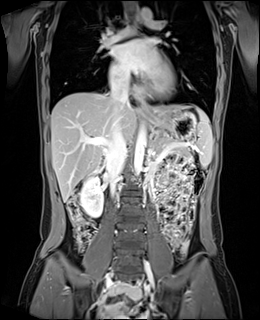 MRI, abdomen · coronal acquisition
<organs><organ name="spleen" x1="195" y1="107" x2="212" y2="168"/><organ name="right kidney" x1="80" y1="177" x2="103" y2="217"/><organ name="esophagus" x1="140" y1="102" x2="149" y2="118"/><organ name="esophagus" x1="134" y1="13" x2="140" y2="24"/><organ name="liver" x1="51" y1="92" x2="193" y2="202"/><organ name="stomach" x1="147" y1="111" x2="196" y2="139"/><organ name="aorta" x1="134" y1="125" x2="146" y2="175"/><organ name="aorta" x1="140" y1="8" x2="152" y2="21"/><organ name="inferior vena cava" x1="106" y1="77" x2="129" y2="192"/><organ name="pancreas" x1="156" y1="141" x2="189" y2="153"/><organ name="duodenum" x1="99" y1="169" x2="106" y2="176"/></organs>